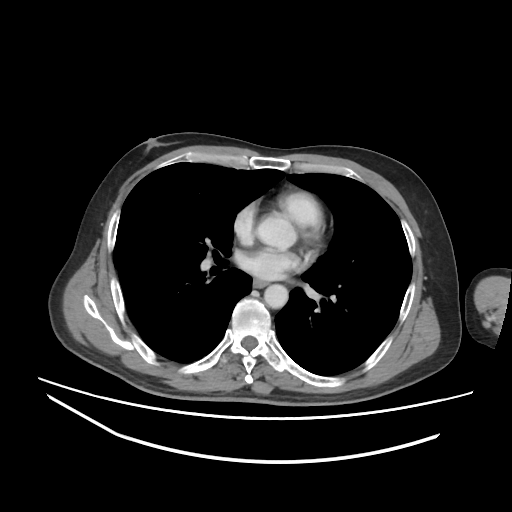

Chest-level slice from an abdominal CT that extends up into the chest; axial plane, index 95; 54-year-old male patient; Aquilion ONE scanner
At this level of the chest no structure but the esophagus and the aorta has a label in this dataset, and those two are boxed only where they are labeled.
Boxes: x1 y1 x2 y2 (pixel coords, space-separated).
Organ bounding boxes:
- esophagus: 253 279 267 287
- aorta: 264 284 288 308